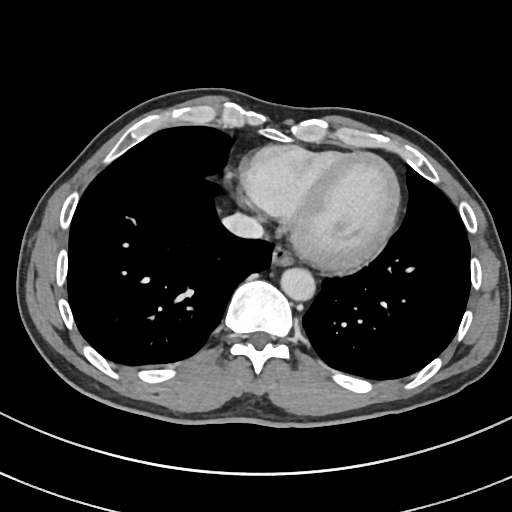
Lower-chest slice from an abdominal CT, just above the liver and spleen — Axial slice 180/298 — 512x512 px — 15 organs annotated in this scan (a whole-scan count: organs this slice does not pass through have no box)
The heart and lungs are never labeled in this dataset, so they have no box on this slice.
<organs><organ name="esophagus" x1="271" y1="245" x2="293" y2="266"/><organ name="aorta" x1="280" y1="267" x2="315" y2="300"/><organ name="inferior vena cava" x1="222" y1="213" x2="263" y2="238"/></organs>